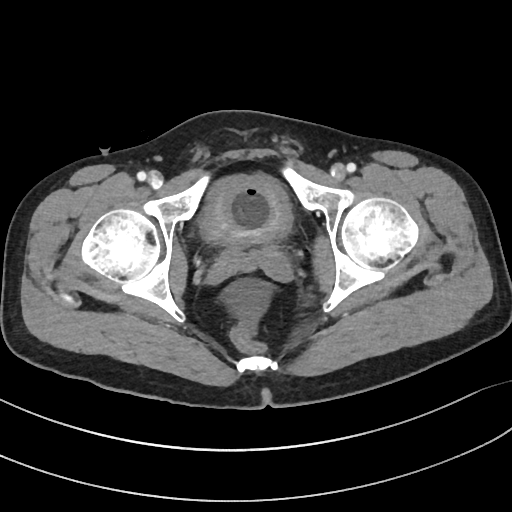 CT, abdomen/pelvis · axial view · W/L 400/40 HU
{"organs":{"bladder":[200,175,291,242],"prostate/uterus":[229,236,271,255]}}